CT abdomen. axial view. W/L 400/40 HU. 512x512 px
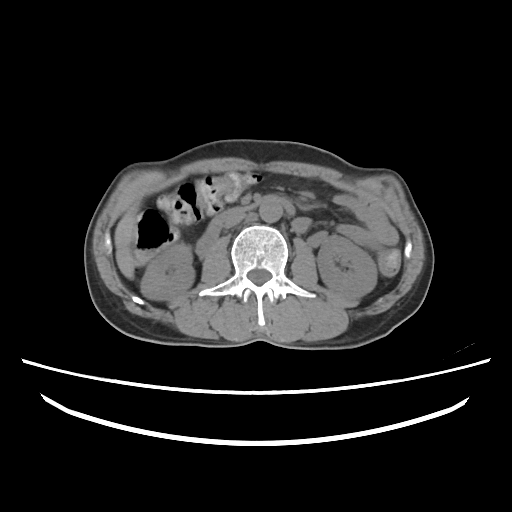

Boxes: x1:y1:x2:y2 in pixels. The annotated organs in this slice are: right kidney at 141:246:195:300, left kidney at 316:235:377:298, liver at 114:208:138:277, aorta at 259:200:283:222, inferior vena cava at 222:212:245:229, duodenum at 195:194:294:255.